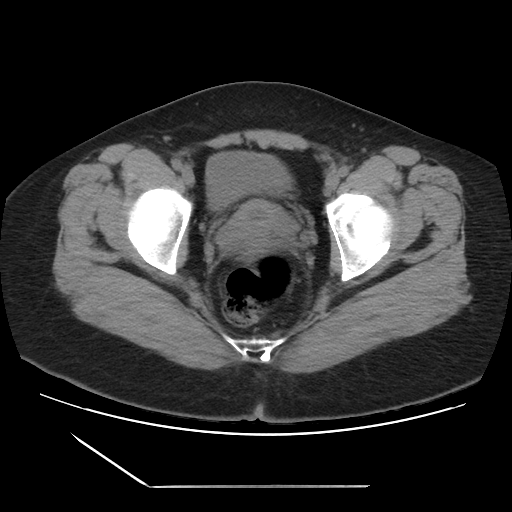
Computed tomography, abdomen — axial view
{"organs":{"bladder":[206,150,292,210],"prostate/uterus":[224,200,290,253]}}